Computed tomography, abdomen; axial plane, index 175; abdomen soft-tissue window; 15 organs annotated in this scan (that count is for the whole scan; organs this slice misses have no box)
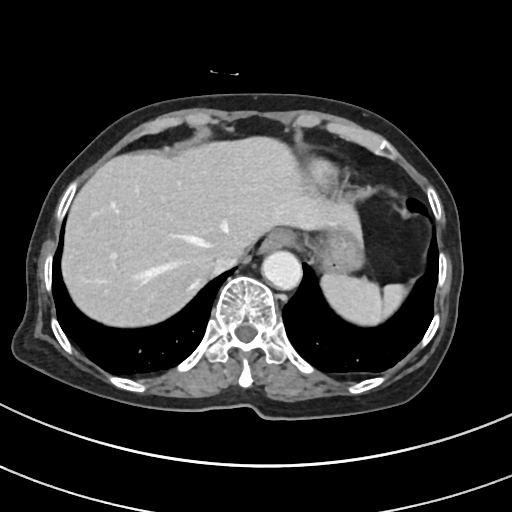

One row per box, in pixels: columns x1 and y1 give the top-left corner, x2 and y2 the bottom-right.
| organ | x1 | y1 | x2 | y2 |
|---|---|---|---|---|
| spleen | 321 | 273 | 407 | 325 |
| esophagus | 260 | 230 | 292 | 253 |
| liver | 62 | 136 | 363 | 326 |
| stomach | 318 | 230 | 363 | 273 |
| aorta | 262 | 251 | 301 | 290 |
| inferior vena cava | 213 | 254 | 241 | 273 |